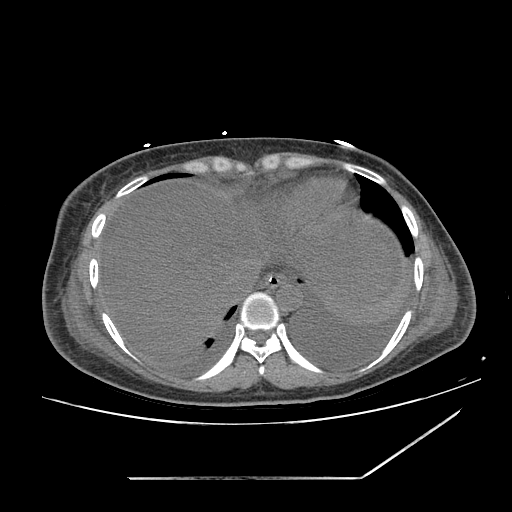

CT, abdomen/pelvis · axial view · W/L 400/40 HU
Each box given as x1,y1,x2,y2. Labeled organs on this slice: esophagus at x1=262, y1=273, x2=296, y2=288, liver at x1=101, y1=187, x2=393, y2=352, stomach at x1=278, y1=283, x2=292, y2=288, aorta at x1=276, y1=283, x2=301, y2=310, inferior vena cava at x1=226, y1=263, x2=259, y2=297.